CT, abdomen/pelvis; axial view; 512x512 px; 50-year-old male patient
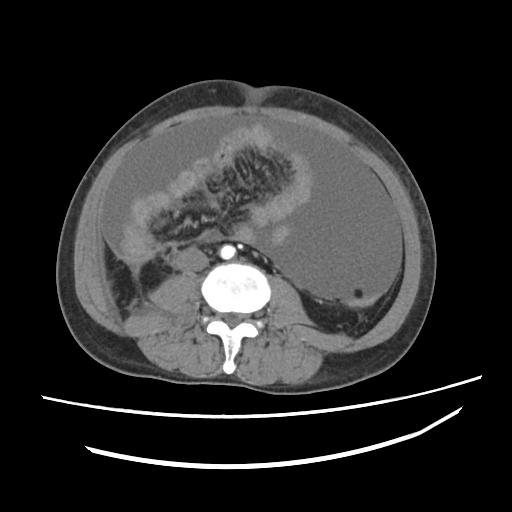

{"organs":{"aorta":[220,244,236,258],"inferior vena cava":[177,248,208,273]}}